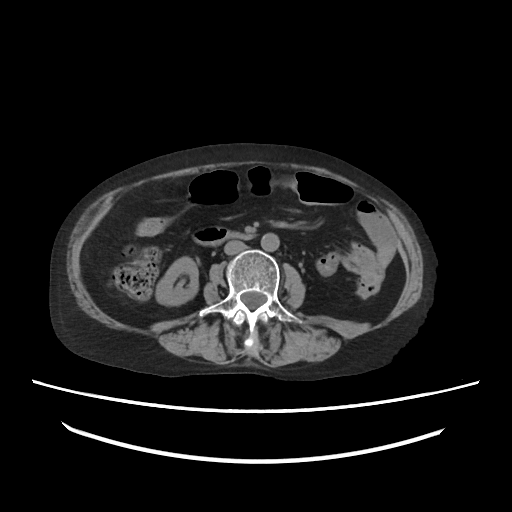

CT abdomen. axial plane, index 48. soft-tissue window (W 400 / L 40)
Coordinates as <box>x1,y1,x2,y2</box> in pixels.
right kidney: <box>156,257,198,305</box>
aorta: <box>261,233,279,251</box>
duodenum: <box>193,226,254,246</box>
inferior vena cava: <box>224,240,246,254</box>